Computed tomography, abdomen. axial view. 512x512 px. Aquilion ONE scanner
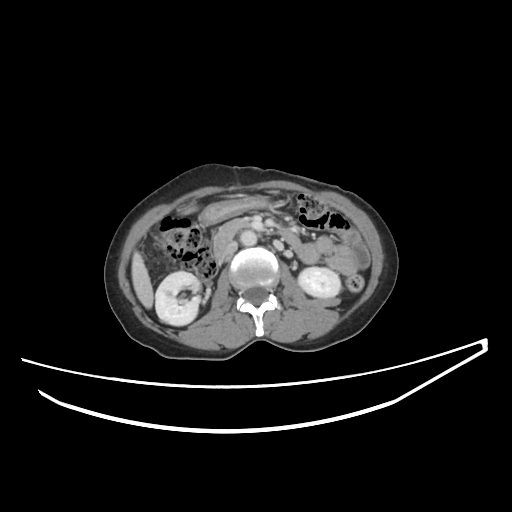

<organs><organ name="right kidney" x1="155" y1="271" x2="200" y2="325"/><organ name="left kidney" x1="298" y1="267" x2="341" y2="297"/><organ name="liver" x1="132" y1="208" x2="194" y2="308"/><organ name="stomach" x1="201" y1="197" x2="269" y2="222"/><organ name="aorta" x1="240" y1="230" x2="256" y2="245"/><organ name="inferior vena cava" x1="221" y1="241" x2="237" y2="260"/><organ name="pancreas" x1="217" y1="218" x2="250" y2="237"/><organ name="duodenum" x1="214" y1="230" x2="301" y2="260"/></organs>